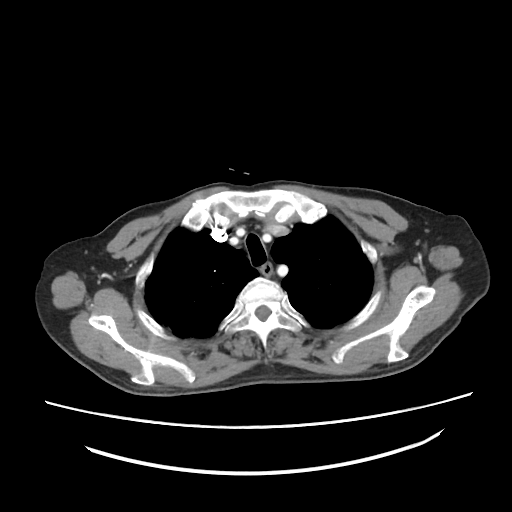
CT of the abdomen extending into the chest, slice through the chest; Axial slice 125/135; acquired on Aquilion ONE
At this level of the chest this dataset labels only the esophagus and the aorta, and each is boxed only where it is labeled; the heart and lungs are never labeled.
<organs><organ name="esophagus" x1="259" y1="262" x2="273" y2="276"/></organs>